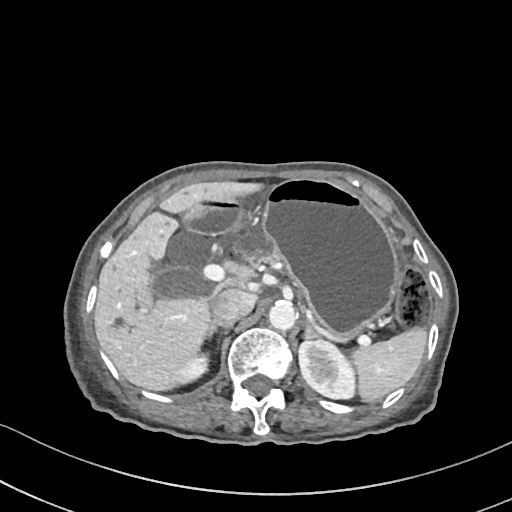
Abdominal CT — axial view — 512x512 px — 15 organs annotated in this scan (counted over the whole 3D scan, not this slice; an organ is boxed only where this slice passes through it)
<organs><organ name="spleen" x1="349" y1="328" x2="427" y2="401"/><organ name="right kidney" x1="180" y1="356" x2="208" y2="385"/><organ name="left kidney" x1="298" y1="339" x2="358" y2="399"/><organ name="gall bladder" x1="150" y1="267" x2="205" y2="299"/><organ name="liver" x1="93" y1="181" x2="261" y2="389"/><organ name="stomach" x1="262" y1="179" x2="398" y2="333"/><organ name="aorta" x1="268" y1="301" x2="295" y2="330"/><organ name="inferior vena cava" x1="210" y1="289" x2="256" y2="321"/><organ name="pancreas" x1="232" y1="233" x2="282" y2="264"/><organ name="right adrenal gland" x1="207" y1="319" x2="231" y2="332"/><organ name="left adrenal gland" x1="304" y1="317" x2="321" y2="338"/><organ name="duodenum" x1="182" y1="199" x2="238" y2="233"/></organs>